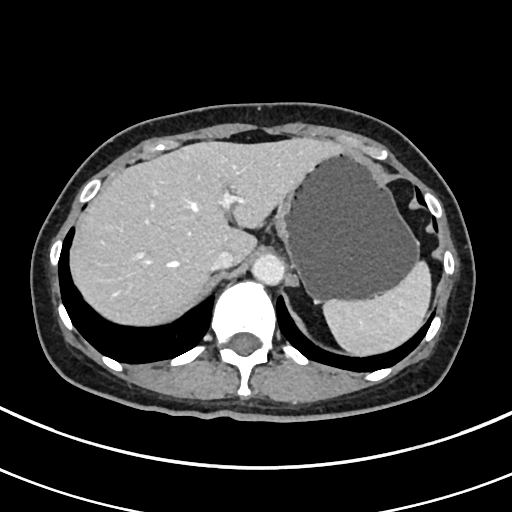

CT, abdomen/pelvis; axial plane, index 163
Coordinates as <box>x1,y1,x2,y2</box> in pixels.
Organ bounding boxes:
- spleen: <box>323,261,431,355</box>
- liver: <box>69,137,339,325</box>
- stomach: <box>274,148,419,301</box>
- aorta: <box>251,253,284,284</box>
- inferior vena cava: <box>209,250,235,270</box>